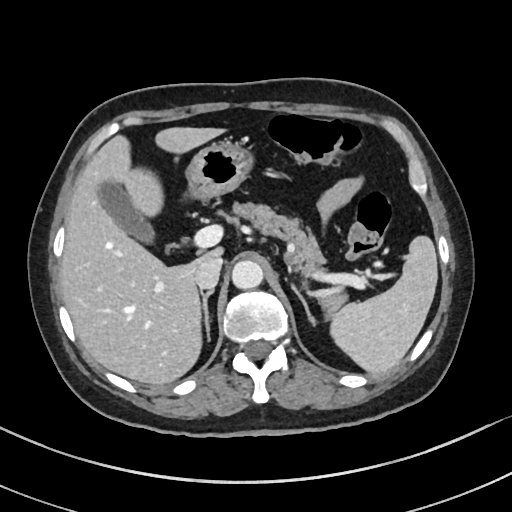

Computed tomography, abdomen · axial plane, index 182 · W/L 400/40 HU · 512x512 px · scan has 14 labeled organs (counted over the whole 3D scan, not this slice; an organ is boxed only where this slice passes through it)
One row per box, in pixels: columns x1 and y1 give the top-left corner, x2 and y2 the bottom-right.
| organ | x1 | y1 | x2 | y2 |
|---|---|---|---|---|
| gall bladder | 98 | 183 | 151 | 240 |
| aorta | 231 | 260 | 263 | 289 |
| pancreas | 235 | 203 | 346 | 315 |
| left adrenal gland | 290 | 284 | 315 | 324 |
| spleen | 331 | 235 | 436 | 374 |
| stomach | 187 | 141 | 253 | 197 |
| right adrenal gland | 202 | 290 | 212 | 339 |
| liver | 59 | 126 | 226 | 386 |
| inferior vena cava | 195 | 257 | 222 | 289 |